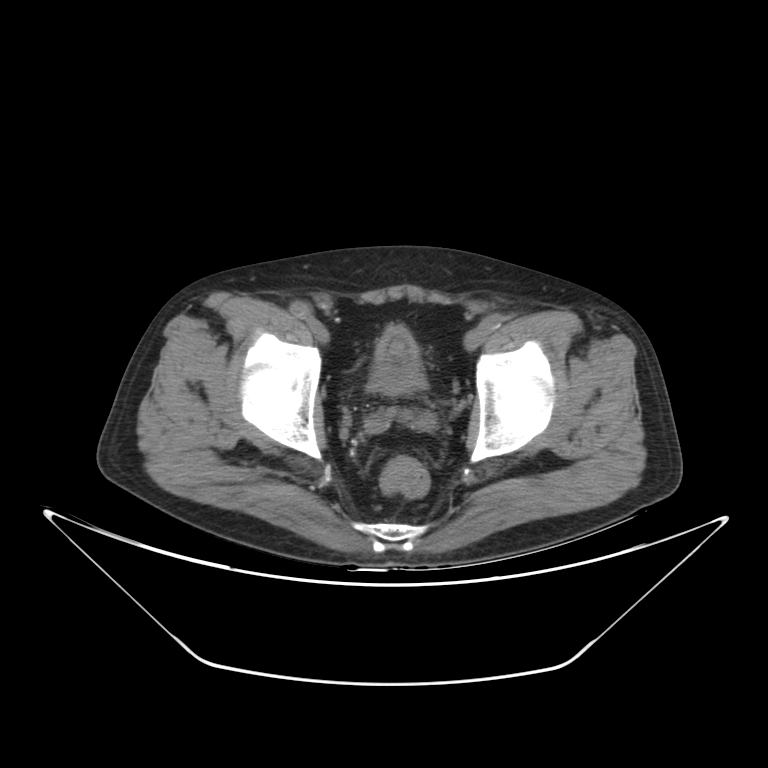 Computed tomography, abdomen. axial view. 59-year-old male patient. acquired on Brilliance16. scan has 14 labeled organs (a whole-scan count: organs this slice does not pass through have no box)
Bounding boxes as [x1, y1, x2, y2] in pixel coordinates.
Organ bounding boxes:
- bladder: [369, 328, 424, 394]